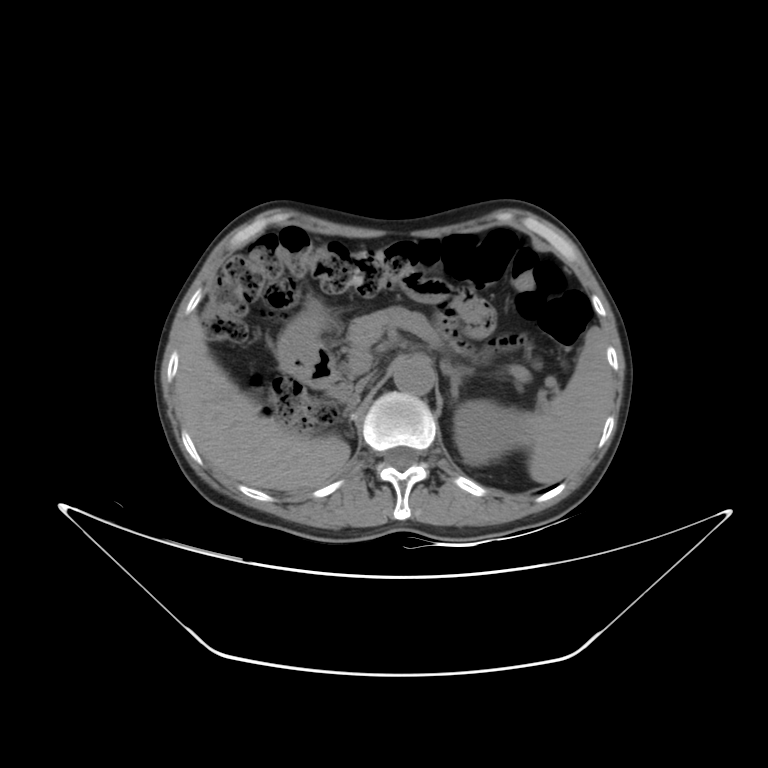 CT, abdomen/pelvis — axial plane, index 74 — 14 organs annotated in this scan (counted over the whole 3D scan, not this slice; an organ is boxed only where this slice passes through it)
Bounding boxes as [x1, y1, x2, y2] in pixel coordinates.
duodenum: [304, 344, 351, 401]
liver: [177, 316, 350, 491]
inferior vena cava: [352, 379, 367, 393]
left adrenal gland: [440, 360, 464, 400]
right adrenal gland: [343, 403, 355, 422]
left kidney: [454, 400, 527, 465]
aorta: [392, 356, 434, 395]
pancreas: [346, 306, 444, 359]
spleen: [522, 327, 613, 483]
stomach: [277, 298, 334, 380]